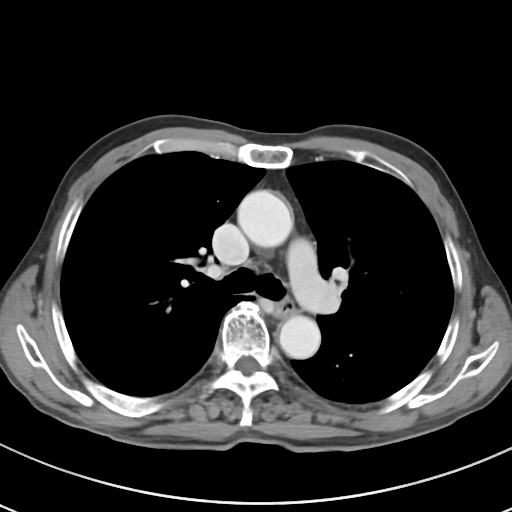 Chest-level slice from an abdominal CT that extends up into the chest; Axial slice 98/122
At this level of the chest this dataset labels only the esophagus and the aorta, and each is boxed only where it is labeled; the heart and lungs are never labeled. Boxes: x1:y1:x2:y2 in pixels. The annotated organs in this slice are: esophagus at 275:298:295:318, aorta at 237:190:293:247, aorta at 279:315:320:359.